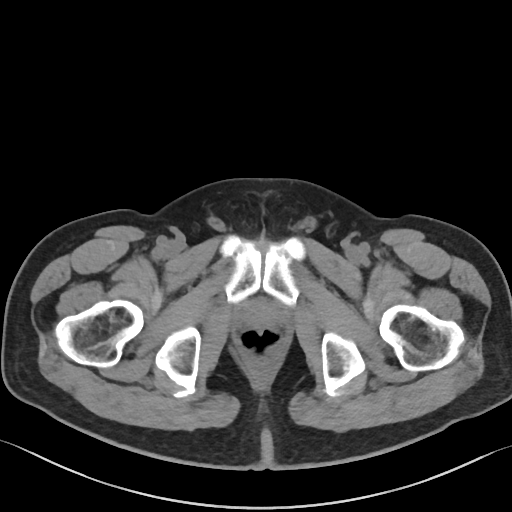
Abdominal CT. axial view. 512x512 px. acquired on SOMATOM Force
Bounding boxes in pixels, one row per box: x1, y1 is the top-left corner and x2, y2 the bottom-right.
| organ | x1 | y1 | x2 | y2 |
|---|---|---|---|---|
| prostate/uterus | 247 | 306 | 272 | 327 |